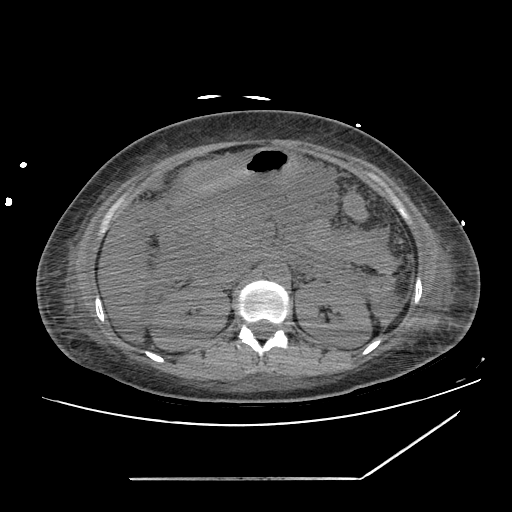 Computed tomography, abdomen; axial view; 512x512 px; scan has 15 labeled organs (a whole-scan count: organs this slice does not pass through have no box)
{"organs":{"left kidney":[295,278,371,347],"stomach":[179,148,297,195],"right kidney":[151,289,229,350],"aorta":[264,261,286,280],"pancreas":[194,205,261,250],"liver":[98,226,145,344],"inferior vena cava":[216,255,252,286],"duodenum":[160,221,200,267]}}